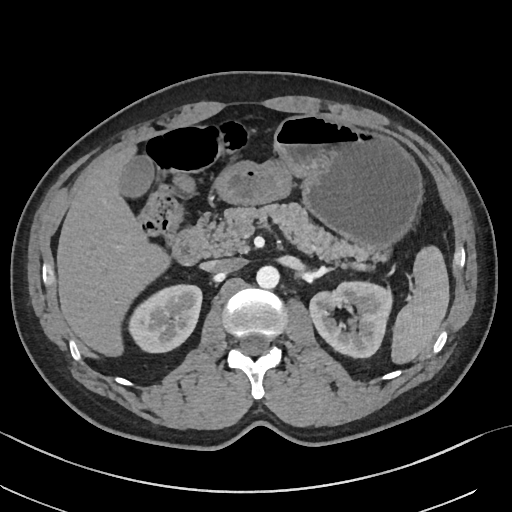
Abdominal CT — Axial slice 155/307 — 512x512 px — SOMATOM Force scanner
{"organs":{"left kidney":[310,282,393,357],"liver":[57,147,169,355],"right kidney":[130,283,202,353],"stomach":[216,114,422,242],"pancreas":[206,204,392,263],"inferior vena cava":[203,258,244,272],"aorta":[256,265,279,288],"spleen":[391,245,448,362],"duodenum":[171,215,210,266],"gall bladder":[119,156,152,195]}}